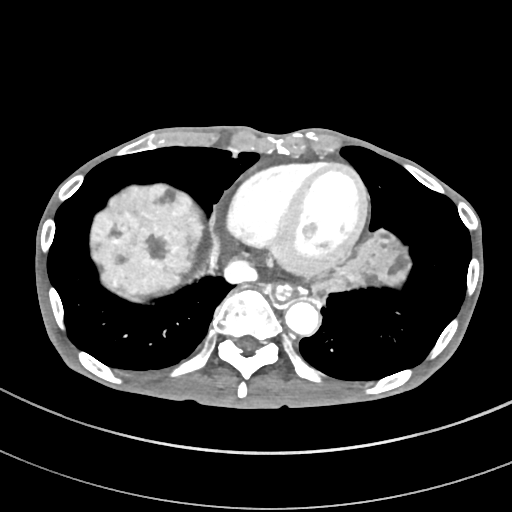 CT, abdomen/pelvis. axial plane, index 206
Bounding boxes as [x1, y1, x2, y2] in pixel coordinates.
Organ bounding boxes:
- inferior vena cava: [224, 259, 257, 283]
- esophagus: [273, 285, 292, 302]
- liver: [91, 184, 411, 305]
- aorta: [285, 301, 319, 335]